CT, abdomen/pelvis; axial plane, index 56; acquired on Aquilion ONE
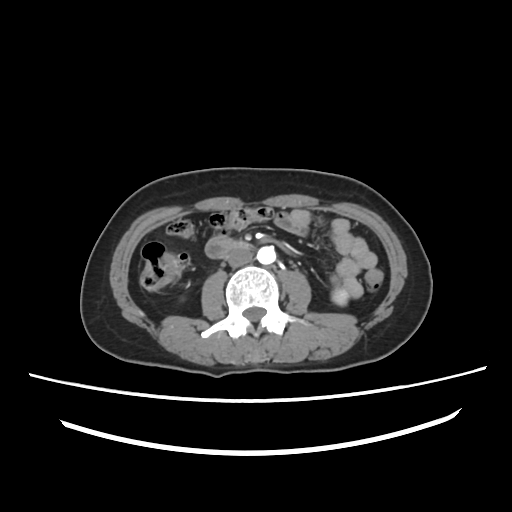

{"organs":{"left kidney":[332,289,347,305],"aorta":[257,246,275,264],"inferior vena cava":[226,247,253,267],"duodenum":[226,241,248,252]}}